CT, abdomen/pelvis · axial plane, index 42
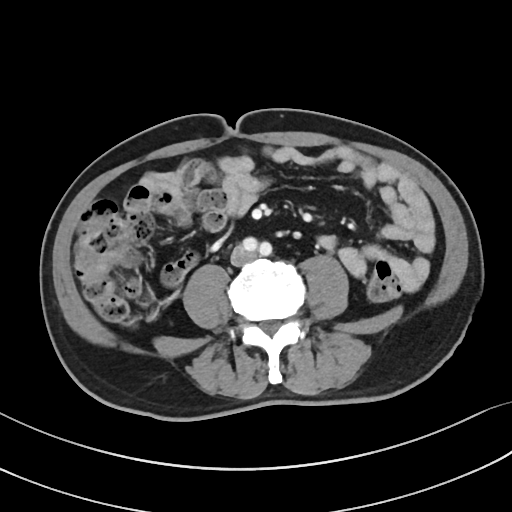
Each box given as x1,y1,x2,y2.
Organ bounding boxes:
- inferior vena cava: x1=231, y1=245, x2=255, y2=265